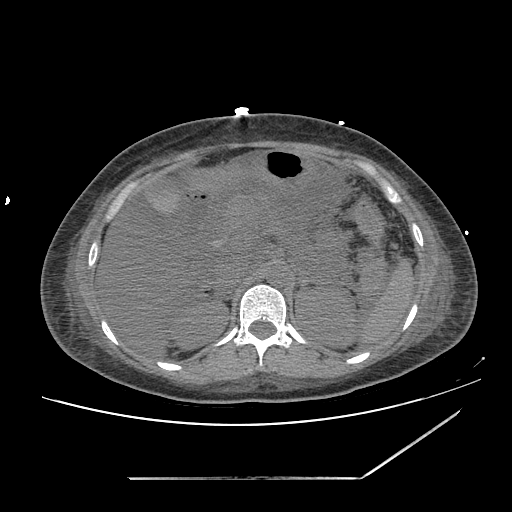
CT abdomen. axial view. soft-tissue window (W 400 / L 40). 512x512 px. SOMATOM Force scanner. scan has 15 labeled organs (counted over the whole 3D scan, not this slice; an organ is boxed only where this slice passes through it)
Coordinates as <box>x1,y1,x2,y2</box> in pixels.
spleen: <box>358,258,414,343</box>
right kidney: <box>168,298,228,349</box>
left kidney: <box>295,287,357,347</box>
gall bladder: <box>145,177,180,215</box>
liver: <box>96,202,185,356</box>
stomach: <box>178,150,312,190</box>
aorta: <box>266,262,291,286</box>
inferior vena cava: <box>216,260,248,291</box>
pancreas: <box>227,196,267,234</box>
right adrenal gland: <box>226,297,227,298</box>
left adrenal gland: <box>297,270,321,288</box>
duodenum: <box>177,178,213,243</box>